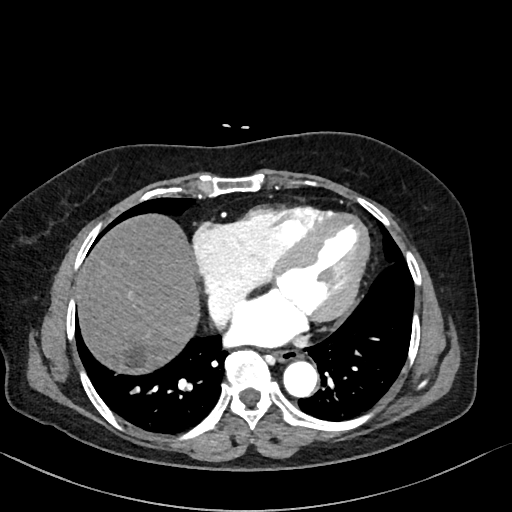 CT, abdomen/pelvis — Axial slice 204/222 — soft-tissue window — 512x512 px — SOMATOM Force scanner
One row per box, in pixels: columns x1 and y1 give the top-left corner, x2 and y2 the bottom-right.
| organ | x1 | y1 | x2 | y2 |
|---|---|---|---|---|
| esophagus | 274 | 349 | 298 | 362 |
| liver | 77 | 214 | 199 | 373 |
| aorta | 283 | 361 | 318 | 397 |
| inferior vena cava | 209 | 292 | 242 | 327 |